CT of the abdomen extending into the chest, slice through the chest; axial view; 512x512 px; scan has 15 labeled organs (a whole-scan count: organs this slice does not pass through have no box)
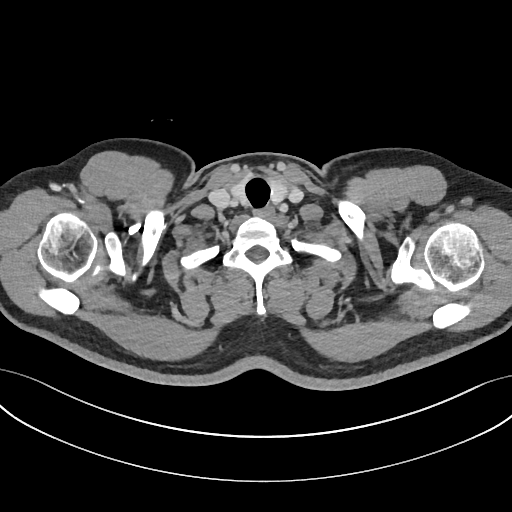
At this level of the chest no structure but the esophagus and the aorta has a label in this dataset, and those two are boxed only where they are labeled.
Boxes are (x1, y1, x2, y2) in pixels.
Organ bounding boxes:
- esophagus: (263, 208, 275, 219)